Computed tomography, abdomen — axial plane, index 184 — soft-tissue window
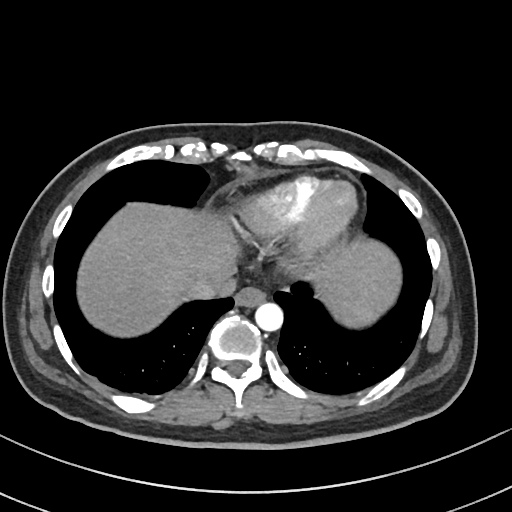 Boxes: x1:y1:x2:y2 in pixels.
Organ bounding boxes:
- spleen: 336:283:392:327
- esophagus: 234:286:266:306
- liver: 77:203:400:336
- aorta: 255:302:283:331
- inferior vena cava: 185:268:235:299